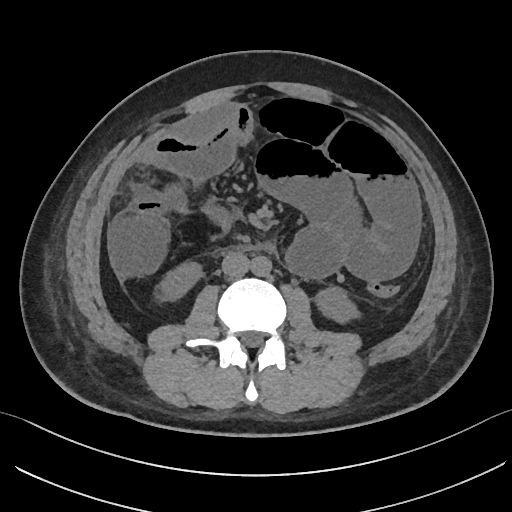 Computed tomography, abdomen — Axial slice 127/234 — soft-tissue window — 512x512 px — SOMATOM Force scanner
Organ boxes in pixel coordinates; each row gives the top-left (x1, y1) and bottom-right (x2, y2) corners.
| organ | x1 | y1 | x2 | y2 |
|---|---|---|---|---|
| right kidney | 158 | 264 | 200 | 299 |
| left kidney | 316 | 287 | 358 | 320 |
| aorta | 250 | 256 | 271 | 276 |
| inferior vena cava | 221 | 252 | 249 | 276 |